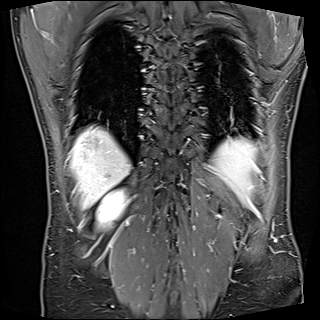 MRI, abdomen. Coronal slice 7/60. percentile-normalized
{"organs":{"spleen":[212,139,255,203],"right kidney":[97,190,126,226],"liver":[71,126,130,208]}}